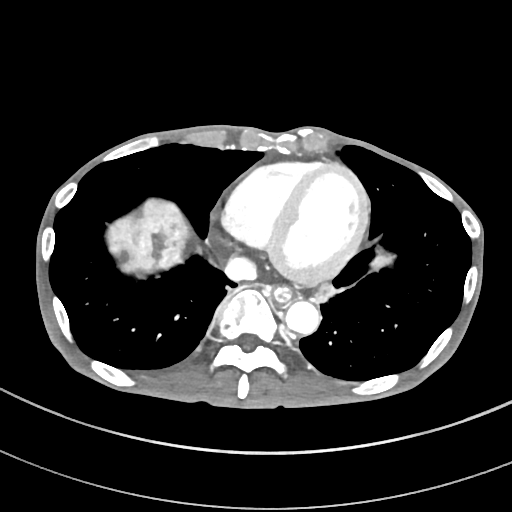

CT abdomen; axial plane, index 209; abdomen soft-tissue window; 512x512 px
<organs><organ name="esophagus" x1="273" y1="287" x2="291" y2="303"/><organ name="liver" x1="106" y1="201" x2="394" y2="300"/><organ name="aorta" x1="285" y1="301" x2="320" y2="334"/><organ name="inferior vena cava" x1="225" y1="257" x2="256" y2="281"/></organs>